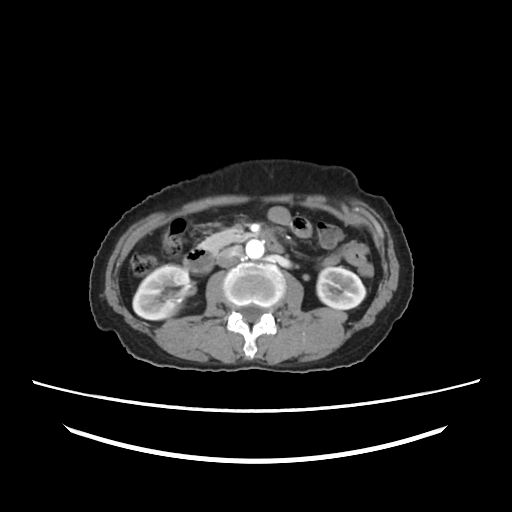
Computed tomography, abdomen; axial plane, index 57
Organ boxes in pixel coordinates; each row gives the top-left (x1, y1) and bottom-right (x2, y2) corners.
| organ | x1 | y1 | x2 | y2 |
|---|---|---|---|---|
| inferior vena cava | 216 | 245 | 243 | 267 |
| right kidney | 133 | 265 | 189 | 319 |
| duodenum | 183 | 239 | 283 | 272 |
| pancreas | 200 | 230 | 251 | 252 |
| left kidney | 317 | 267 | 365 | 309 |
| aorta | 246 | 240 | 264 | 258 |